CT abdomen; Axial slice 78/126
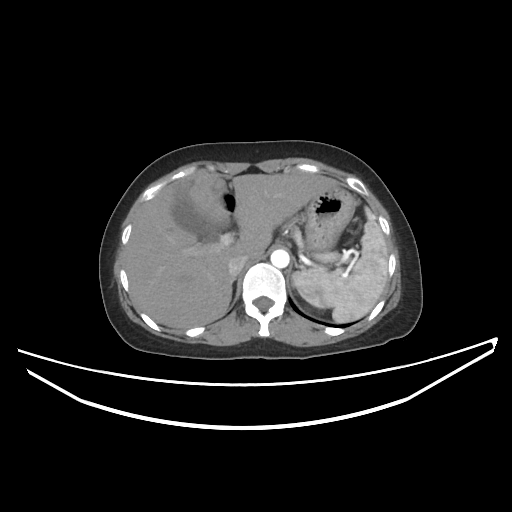

Bounding boxes as [x1, y1, x2, y2] in pixel coordinates.
inferior vena cava: [228, 254, 247, 275]
liver: [123, 170, 336, 328]
stomach: [303, 185, 355, 253]
right adrenal gland: [233, 276, 236, 281]
gall bladder: [172, 193, 221, 238]
pancreas: [291, 227, 341, 261]
spleen: [293, 207, 388, 323]
aorta: [271, 249, 289, 267]